Abdominal MRI; coronal plane, index 78
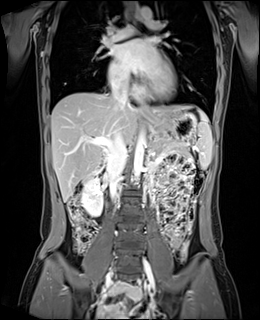 Each box given as x1,y1,x2,y2.
Organ bounding boxes:
- spleen: x1=197, y1=108, x2=212, y2=169
- right kidney: x1=81, y1=178, x2=102, y2=216
- gall bladder: x1=83, y1=178, x2=89, y2=183
- esophagus: x1=140, y1=104, x2=149, y2=118
- liver: x1=51, y1=92, x2=194, y2=202
- stomach: x1=147, y1=111, x2=196, y2=142
- aorta: x1=134, y1=130, x2=145, y2=184
- aorta: x1=140, y1=6, x2=152, y2=20
- inferior vena cava: x1=107, y1=79, x2=129, y2=197
- pancreas: x1=155, y1=141, x2=189, y2=153
- duodenum: x1=98, y1=169, x2=106, y2=177